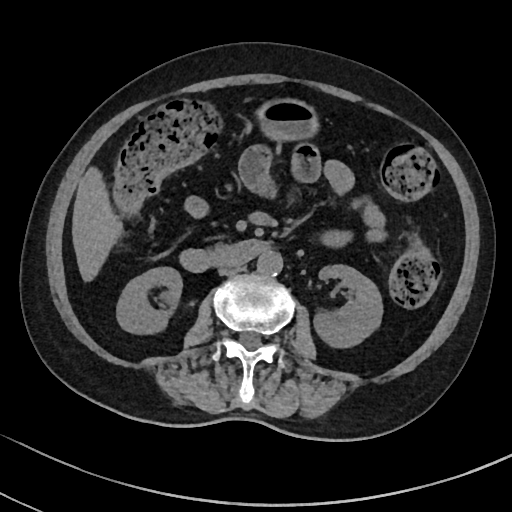
Computed tomography, abdomen — axial view — soft-tissue window — scan has 15 labeled organs (counted over the whole 3D scan, not this slice; an organ is boxed only where this slice passes through it)
<organs><organ name="right kidney" x1="116" y1="267" x2="181" y2="332"/><organ name="left kidney" x1="314" y1="263" x2="381" y2="346"/><organ name="liver" x1="72" y1="169" x2="119" y2="278"/><organ name="stomach" x1="260" y1="100" x2="315" y2="136"/><organ name="aorta" x1="257" y1="250" x2="282" y2="275"/><organ name="inferior vena cava" x1="217" y1="263" x2="244" y2="275"/><organ name="duodenum" x1="181" y1="239" x2="267" y2="271"/></organs>